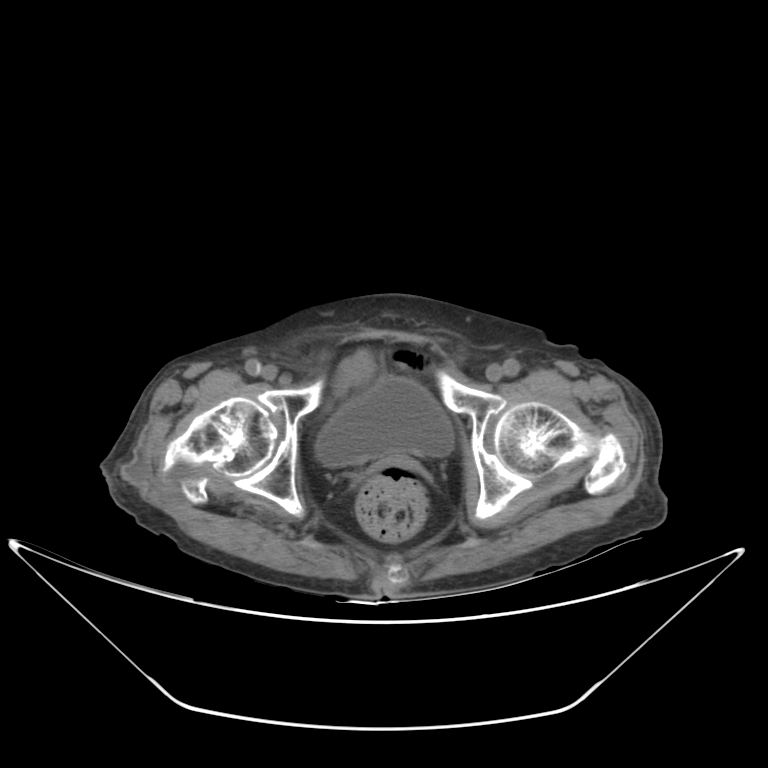
Abdominal CT — Axial slice 14/79 — soft-tissue window (W 400 / L 40) — female patient aged 90 or older
{"organs":{"bladder":[315,377,453,467]}}